Computed tomography, abdomen; axial view; 14 organs annotated in this scan (a whole-scan count: organs this slice does not pass through have no box)
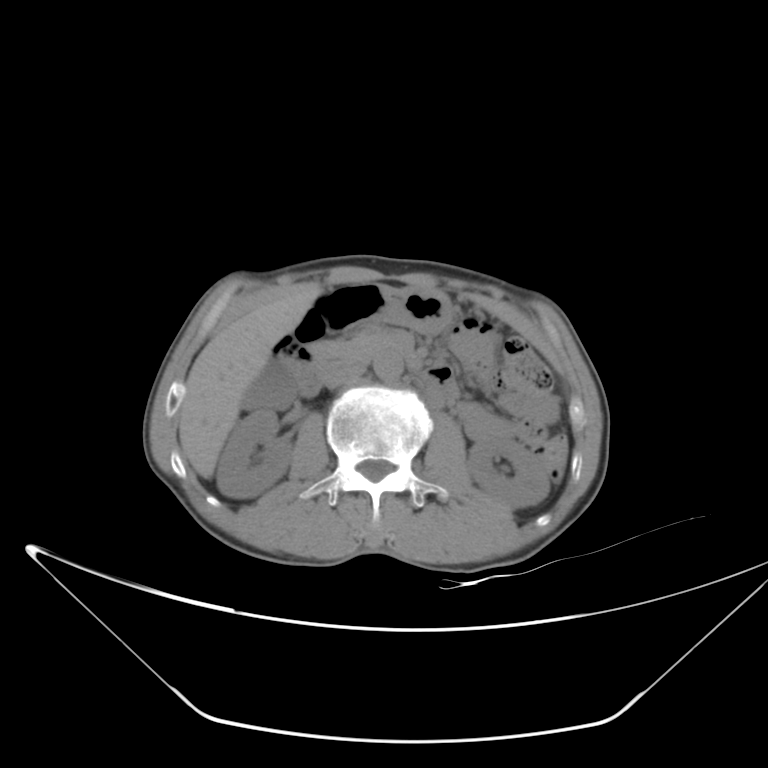
Boxes are (x1, y1, x2, y2) in pixels.
right kidney: (216, 412, 292, 498)
left kidney: (467, 438, 549, 508)
gall bladder: (239, 360, 299, 412)
liver: (179, 291, 322, 477)
stomach: (384, 285, 453, 332)
aorta: (373, 353, 402, 382)
inferior vena cava: (324, 365, 365, 388)
pancreas: (310, 328, 389, 369)
duodenum: (277, 281, 457, 402)